CT, abdomen/pelvis · axial view · soft-tissue window (W 400 / L 40) · acquired on Aquilion ONE
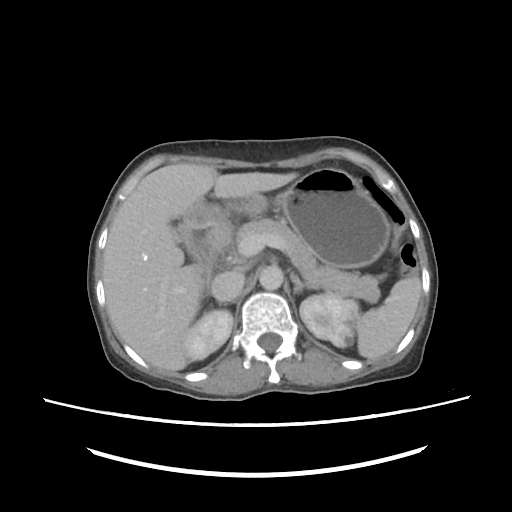 Box edges are left/top/right/bottom in pixels.
spleen: left=358, top=276, right=422, bottom=359
right kidney: left=181, top=309, right=233, bottom=358
left kidney: left=299, top=294, right=357, bottom=346
liver: left=103, top=161, right=296, bottom=371
stomach: left=185, top=167, right=396, bottom=268
aorta: left=257, top=265, right=282, bottom=289
inferior vena cava: left=209, top=271, right=244, bottom=300
pancreas: left=238, top=217, right=378, bottom=302
right adrenal gland: left=218, top=301, right=227, bottom=304
left adrenal gland: left=289, top=269, right=320, bottom=293
duodenum: left=177, top=222, right=234, bottom=271